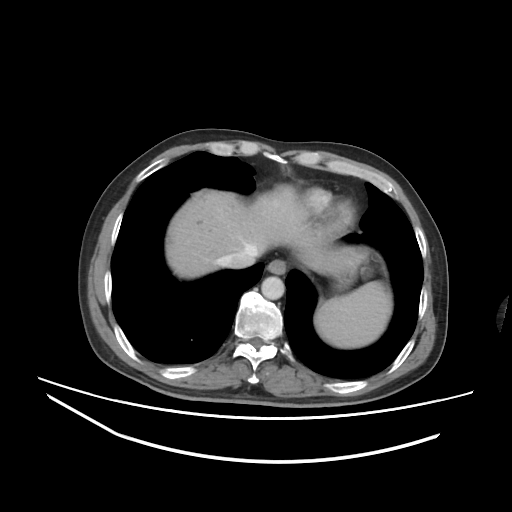 Computed tomography, abdomen. axial view. soft-tissue window (W 400 / L 40). acquired on Aquilion ONE. 15 organs annotated in this scan (counted over the whole 3D scan, not this slice; an organ is boxed only where this slice passes through it)
Organ boxes in pixel coordinates; each row gives the top-left (x1, y1) and bottom-right (x2, y2) corners.
| organ | x1 | y1 | x2 | y2 |
|---|---|---|---|---|
| spleen | 314 | 281 | 391 | 348 |
| esophagus | 267 | 259 | 286 | 274 |
| liver | 166 | 185 | 361 | 278 |
| stomach | 335 | 268 | 356 | 289 |
| aorta | 261 | 276 | 284 | 299 |
| inferior vena cava | 218 | 248 | 257 | 268 |